Computed tomography, abdomen · axial view · soft-tissue window (W 400 / L 40) · Brilliance16 scanner · scan has 14 labeled organs (that count is for the whole scan; organs this slice misses have no box)
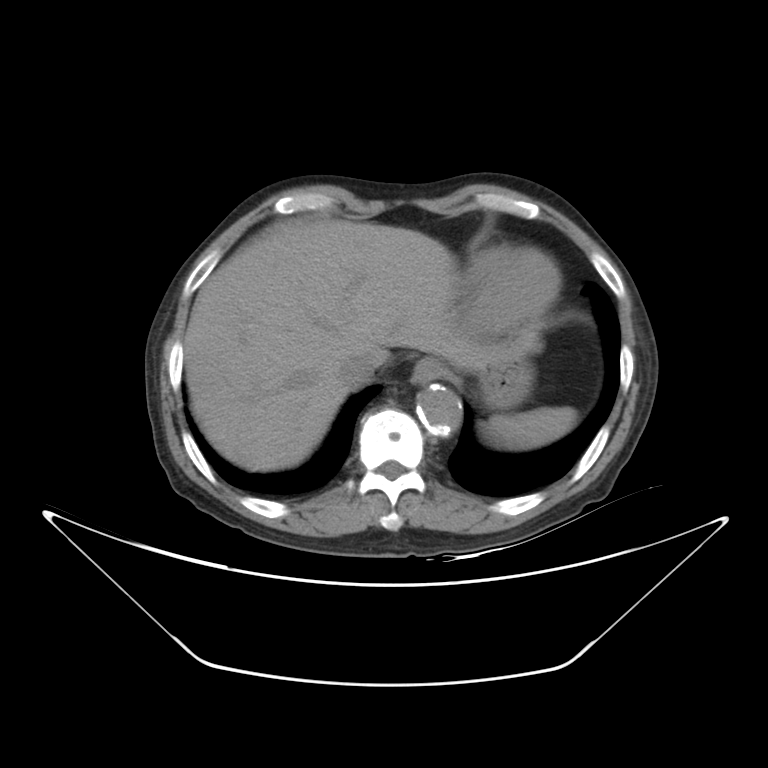

{"organs":{"aorta":[417,383,461,434],"spleen":[481,407,577,448],"stomach":[478,362,534,409],"liver":[185,219,538,471],"inferior vena cava":[336,352,377,389],"esophagus":[410,358,444,384]}}